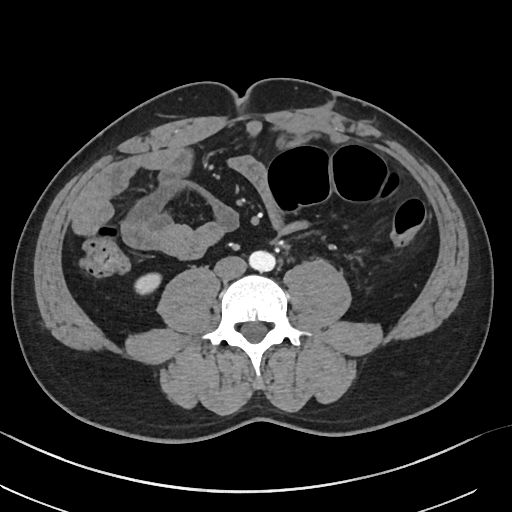

Abdominal CT · axial view · abdomen soft-tissue window · 512x512 px · scan has 15 labeled organs (counted over the whole 3D scan, not this slice; an organ is boxed only where this slice passes through it)
{"organs":{"right kidney":[136,273,161,294],"inferior vena cava":[214,256,246,280],"aorta":[248,251,275,271]}}